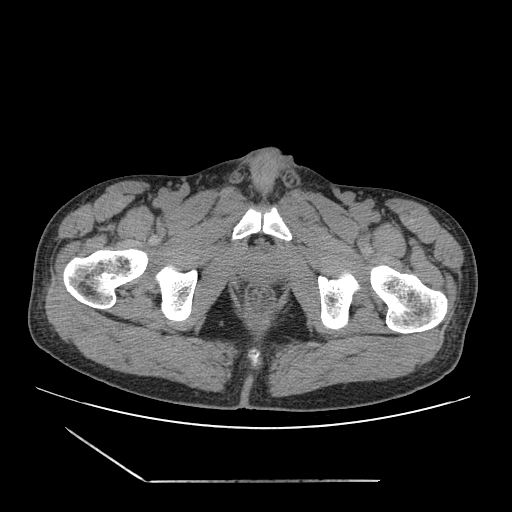
Computed tomography, abdomen; axial view; abdomen soft-tissue window; 512x512 px; acquired on SOMATOM Force; 15 organs annotated in this scan (a whole-scan count: organs this slice does not pass through have no box)
Bounding boxes in pixels, one row per box: x1, y1 is the top-left corner and x2, y2 the bottom-right.
| organ | x1 | y1 | x2 | y2 |
|---|---|---|---|---|
| prostate/uterus | 239 | 252 | 283 | 284 |